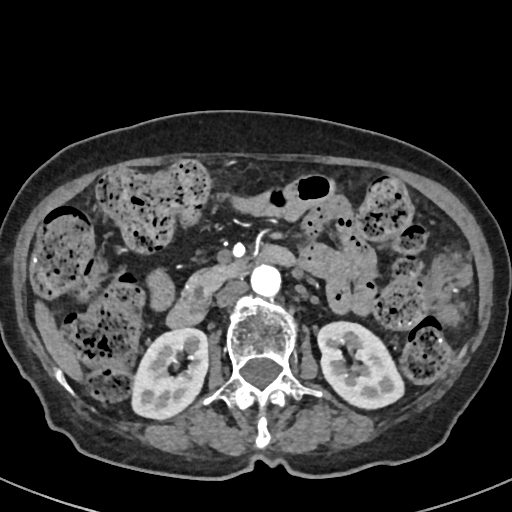
CT, abdomen/pelvis — axial view — abdomen soft-tissue window — 512x512 px
Organ boxes in pixel coordinates; each row gives the top-left (x1, y1) and bottom-right (x2, y2) corners.
| organ | x1 | y1 | x2 | y2 |
|---|---|---|---|---|
| aorta | 251 | 264 | 280 | 296 |
| inferior vena cava | 216 | 280 | 247 | 306 |
| pancreas | 182 | 261 | 248 | 300 |
| duodenum | 166 | 245 | 295 | 327 |
| left kidney | 317 | 321 | 403 | 408 |
| liver | 35 | 302 | 82 | 380 |
| right kidney | 132 | 328 | 207 | 419 |